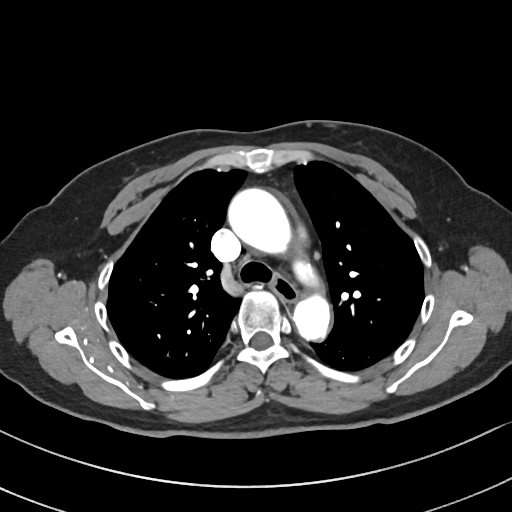

Chest-level slice from an abdominal CT that extends up into the chest — axial view — soft-tissue window, W/L 400/40 — scan has 15 labeled organs (a whole-scan count: organs this slice does not pass through have no box)
At this level of the chest this dataset labels only the esophagus and the aorta, and each is boxed only where it is labeled; the heart and lungs are never labeled.
{"organs":{"esophagus":[271,272,297,302],"aorta":[[228,187,294,257],[293,290,334,343]]}}